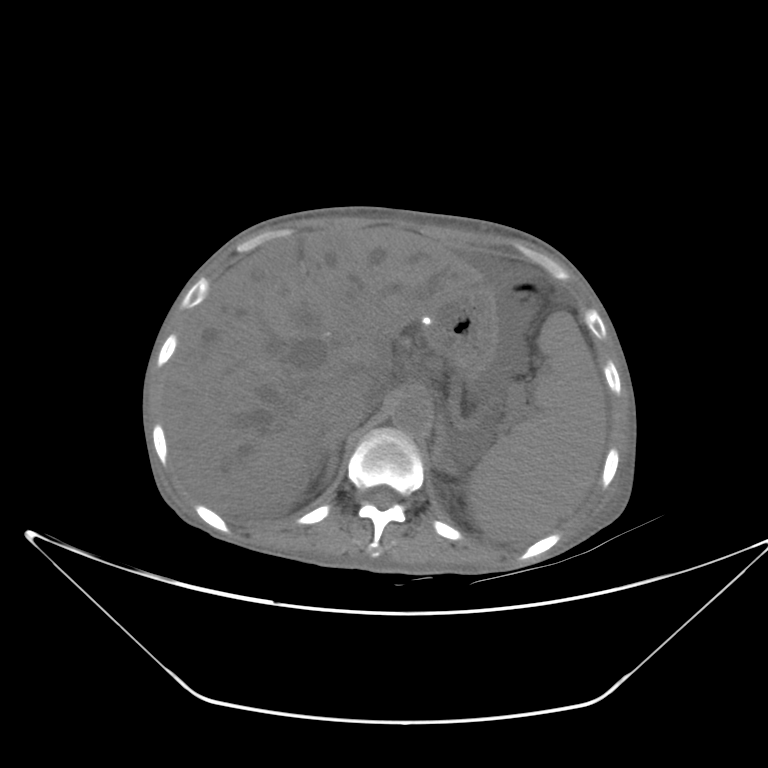
Abdominal CT · axial view · acquired on Brilliance16
Box edges are left/top/right/bottom in pixels.
left adrenal gland: left=432, top=415, right=456, bottom=475
aorta: left=391, top=393, right=431, bottom=434
spleen: left=467, top=311, right=607, bottom=542
inferior vena cava: left=328, top=388, right=377, bottom=435
liver: left=163, top=227, right=481, bottom=521
right adrenal gland: left=311, top=432, right=339, bottom=485
stomach: left=419, top=281, right=499, bottom=378